CT abdomen. axial view
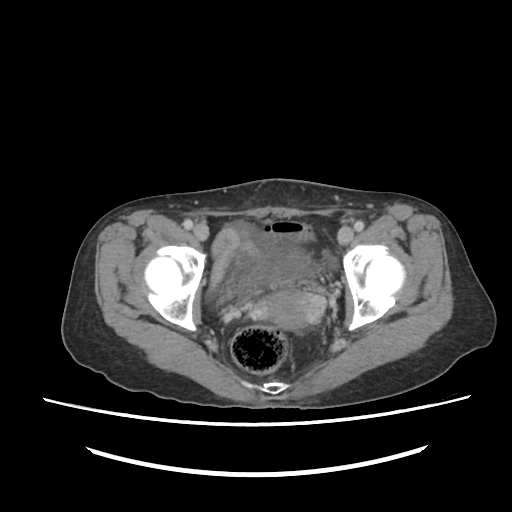

{"organs":{"bladder":[240,247,318,290],"prostate/uterus":[268,288,313,328]}}